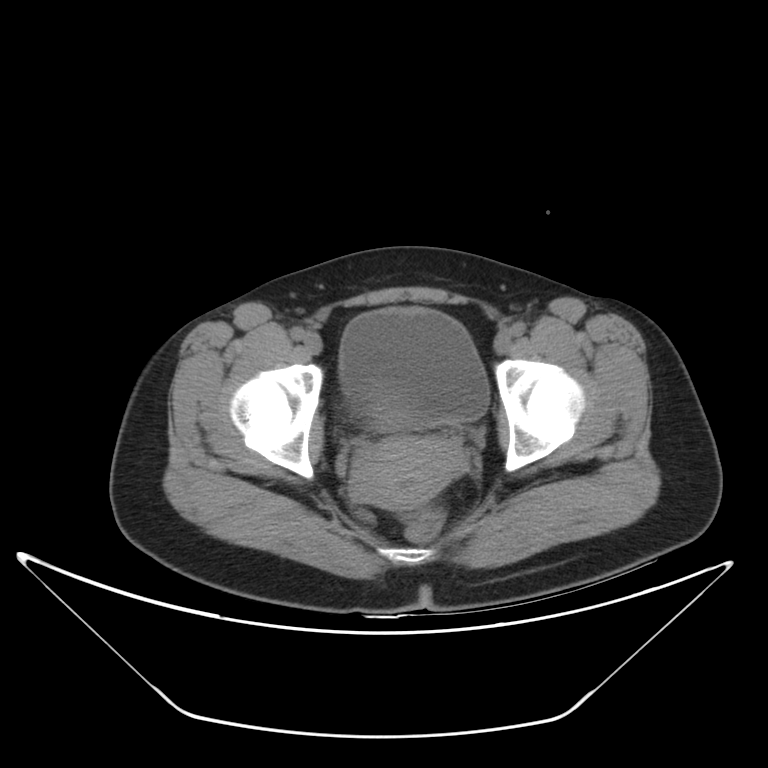

CT, abdomen/pelvis — axial plane, index 20 — soft-tissue window (W 400 / L 40) — 768x768 px
Each box given as x1,y1,x2,y2. 2 labeled organs on this slice — bladder at x1=338, y1=307, x2=489, y2=427; prostate/uterus at x1=351, y1=405, x2=462, y2=509.